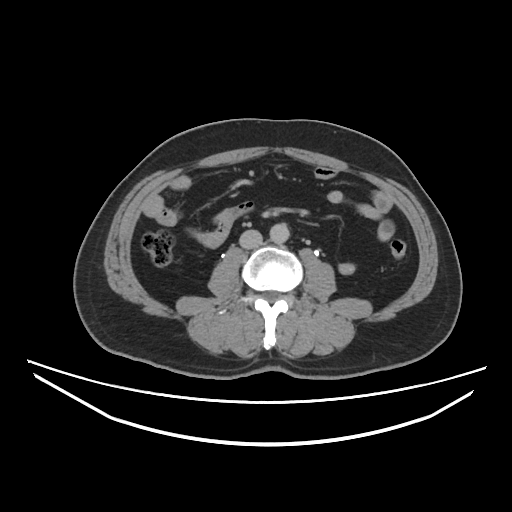
CT abdomen · axial view · soft-tissue window (W 400 / L 40) · 55-year-old male patient · scan has 15 labeled organs (a whole-scan count: organs this slice does not pass through have no box)
{"organs":{"aorta":[270,221,290,243],"inferior vena cava":[239,229,261,248]}}